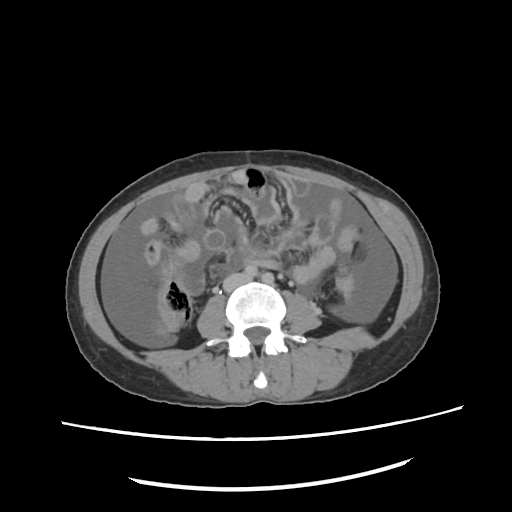
CT abdomen — axial view — soft-tissue window — acquired on Aquilion ONE
{"organs":{"inferior vena cava":[222,274,252,291]}}